CT, abdomen/pelvis; Axial slice 26/265
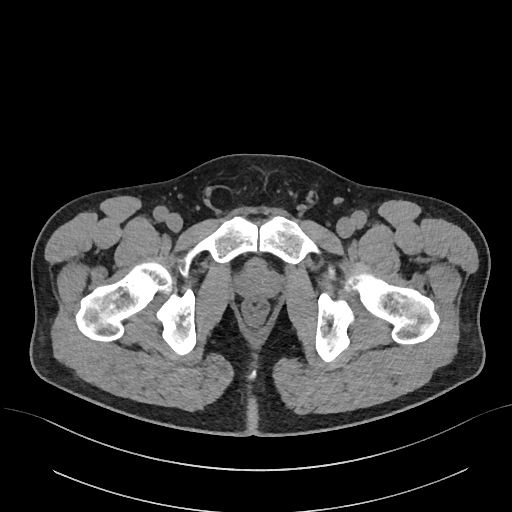

Boxes are (x1, y1, x2, y2) in pixels.
prostate/uterus: (236, 260, 279, 298)